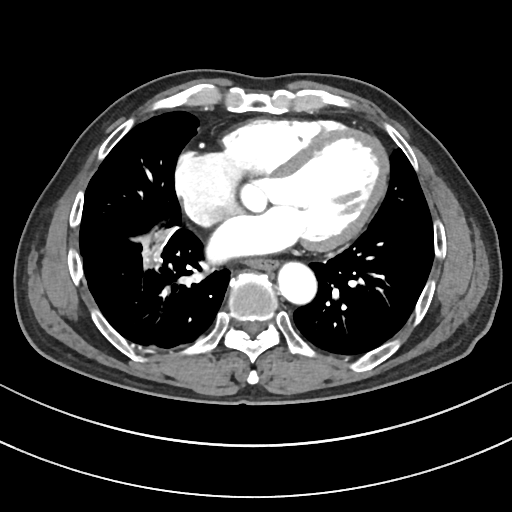 Lower-chest slice from an abdominal CT, just above the liver and spleen — axial plane, index 198 — soft-tissue window (W 400 / L 40) — 512x512 px
Of the structures in the chest, this dataset labels only the esophagus, the aorta and the inferior vena cava; the heart and lungs have no label.
Bounding boxes in pixels, one row per box: x1, y1 is the top-left corner and x2, y2 the bottom-right.
| organ | x1 | y1 | x2 | y2 |
|---|---|---|---|---|
| aorta | 278 | 262 | 316 | 304 |
| esophagus | 247 | 260 | 278 | 270 |